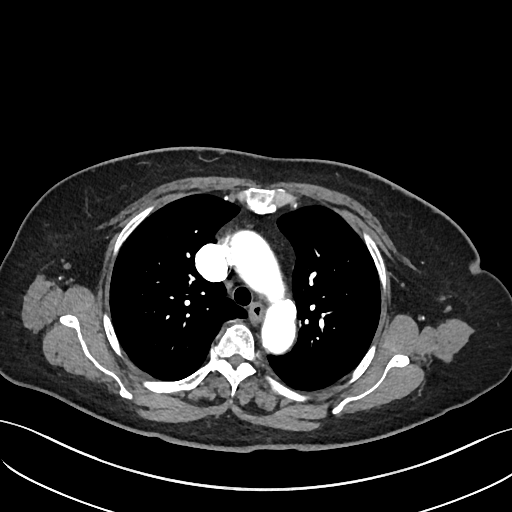 CT of the abdomen extending into the chest, slice through the chest — axial plane, index 238 — scan has 15 labeled organs (a whole-scan count: organs this slice does not pass through have no box)
At this level of the chest no structure but the esophagus and the aorta has a label in this dataset, and those two are boxed only where they are labeled.
Coordinates as <box>x1,y1,x2,y2</box> in pixels.
esophagus: <box>249,303,262,320</box>
aorta: <box>229,231,297,353</box>